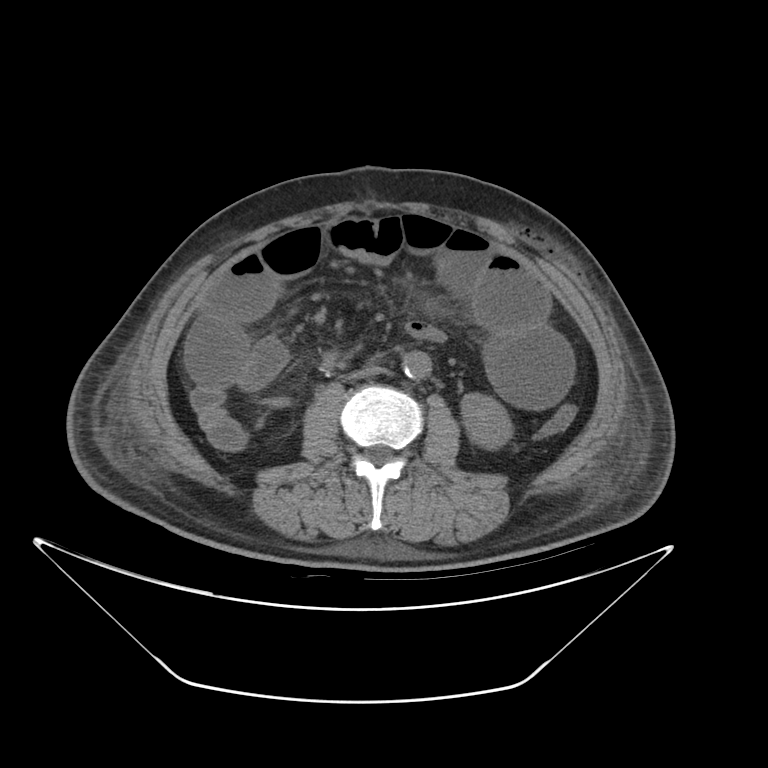 Abdominal CT. axial view. acquired on Brilliance16
{"organs":{"aorta":[402,350,432,381],"left kidney":[462,394,508,449],"inferior vena cava":[346,369,384,381]}}